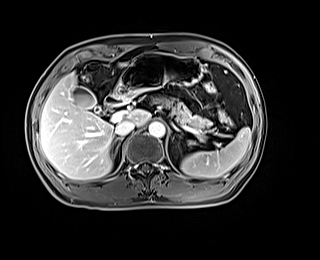

Abdominal MR · axial view · 1st–99th percentile window
Coordinates as <box>x1,y1,x2,y2</box> in pixels. 9 labeled organs on this slice — right adrenal gland at <box>111,137,123,157</box>; stomach at <box>114,52,202,100</box>; gall bladder at <box>72,86,103,115</box>; duodenum at <box>103,93,126,109</box>; aorta at <box>148,121,165,137</box>; pancreas at <box>154,98,211,141</box>; inferior vena cava at <box>115,120,134,135</box>; spleen at <box>181,127,250,177</box>; liver at <box>40,73,150,179</box>.